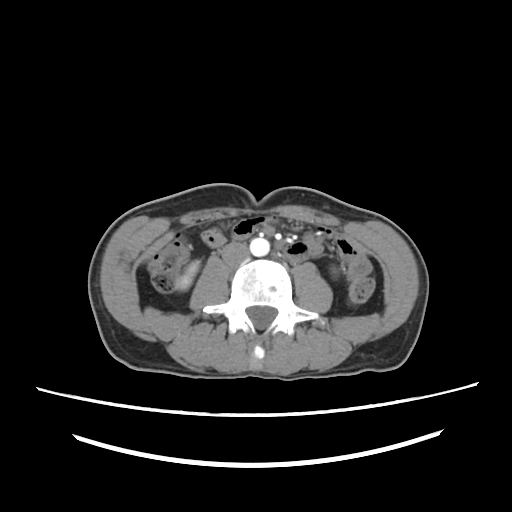 Computed tomography, abdomen. axial view. 512x512 px
{"organs":{"aorta":[251,236,271,256],"left kidney":[327,265,340,282],"right kidney":[178,259,200,289],"inferior vena cava":[220,242,250,266]}}